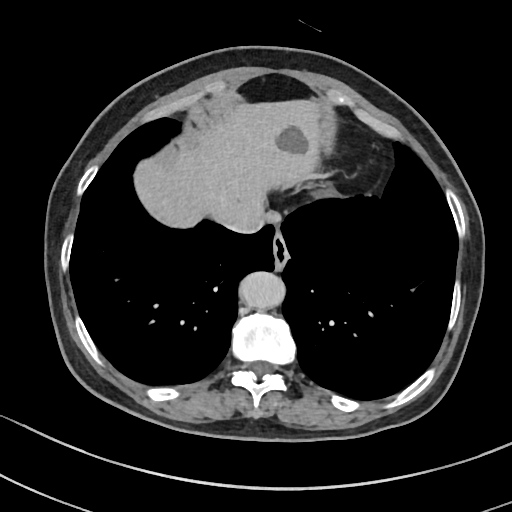 CT, abdomen/pelvis. axial view. soft-tissue window (W 400 / L 40)
Boxes: x1:y1:x2:y2 in pixels.
Organ bounding boxes:
- esophagus: 272:231:289:269
- liver: 134:101:321:227
- aorta: 240:271:287:309
- inferior vena cava: 219:208:264:234